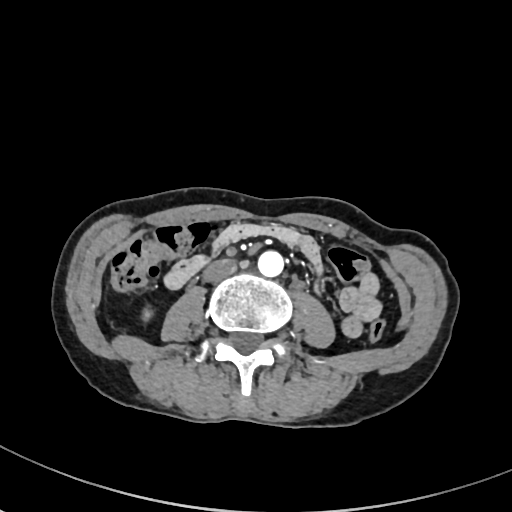
Computed tomography, abdomen · Axial slice 116/207 · scan has 15 labeled organs (counted over the whole 3D scan, not this slice; an organ is boxed only where this slice passes through it)
<organs><organ name="right kidney" x1="144" y1="311" x2="152" y2="317"/><organ name="aorta" x1="257" y1="250" x2="283" y2="277"/><organ name="inferior vena cava" x1="203" y1="259" x2="236" y2="282"/></organs>